CT abdomen · Axial slice 52/131 · 512x512 px
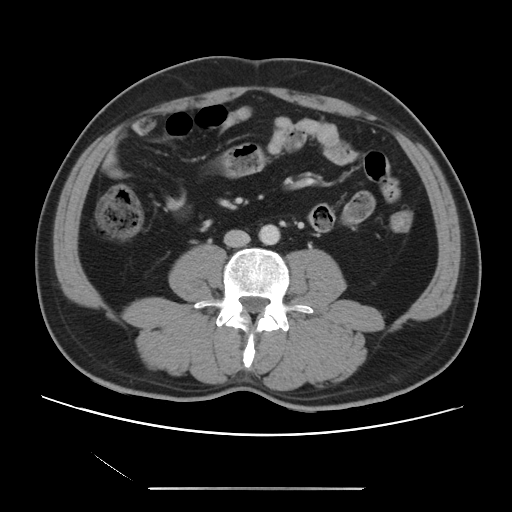

<organs><organ name="aorta" x1="259" y1="224" x2="280" y2="245"/><organ name="inferior vena cava" x1="224" y1="230" x2="250" y2="247"/></organs>